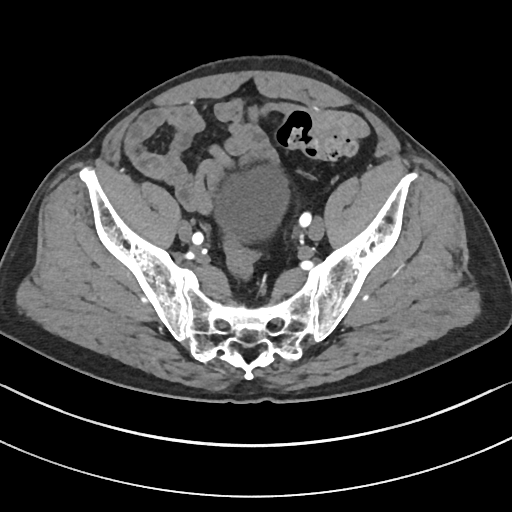
Computed tomography, abdomen; Axial slice 50/280; soft-tissue window (W 400 / L 40); SOMATOM Force scanner; scan has 15 labeled organs (that count is for the whole scan; organs this slice misses have no box)
Coordinates as <box>x1,y1,x2,y2</box> in pixels.
Organ bounding boxes:
- bladder: <box>213,166,288,241</box>